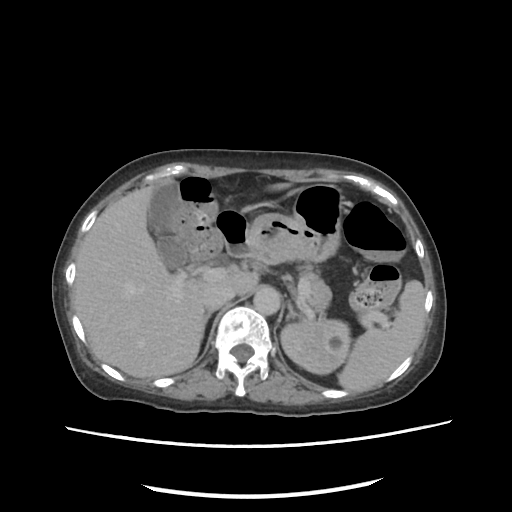
Computed tomography, abdomen · axial view · 512x512 px
Each box given as x1,y1,x2,y2.
inferior vena cava: x1=203, y1=284, x2=234, y2=311
stomach: x1=245, y1=184, x2=345, y2=262
right adrenal gland: x1=204, y1=312, x2=211, y2=327
gall bladder: x1=148, y1=182, x2=187, y2=268
liver: x1=73, y1=184, x2=287, y2=378
left adrenal gland: x1=286, y1=302, x2=303, y2=320
duodenum: x1=219, y1=214, x2=250, y2=259
aorta: x1=253, y1=286, x2=280, y2=315
left kidney: x1=280, y1=320, x2=350, y2=374
spleen: x1=338, y1=280, x2=425, y2=391
pancreas: x1=299, y1=264, x2=366, y2=317